CT, abdomen/pelvis · axial view · acquired on SOMATOM Force · scan has 15 labeled organs (counted over the whole 3D scan, not this slice; an organ is boxed only where this slice passes through it)
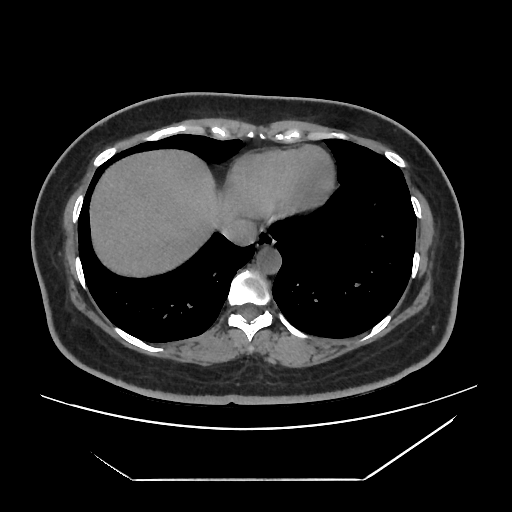 Box edges are left/top/right/bottom in pixels.
aorta: left=256, top=245, right=280, bottom=272
liver: left=88, top=148, right=241, bottom=277
esophagus: left=257, top=228, right=274, bottom=245
inferior vena cava: left=220, top=216, right=256, bottom=244